CT abdomen · axial view · 512x512 px
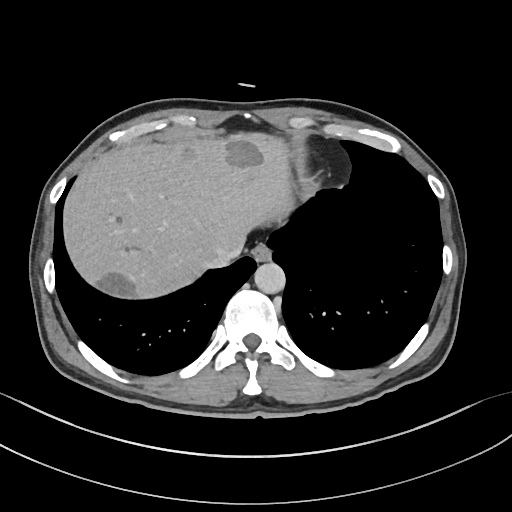

Organ boxes in pixel coordinates; each row gives the top-left (x1, y1) and bottom-right (x2, y2) corners.
| organ | x1 | y1 | x2 | y2 |
|---|---|---|---|---|
| esophagus | 251 | 243 | 271 | 262 |
| liver | 64 | 134 | 292 | 299 |
| aorta | 254 | 262 | 285 | 294 |
| inferior vena cava | 206 | 241 | 243 | 267 |